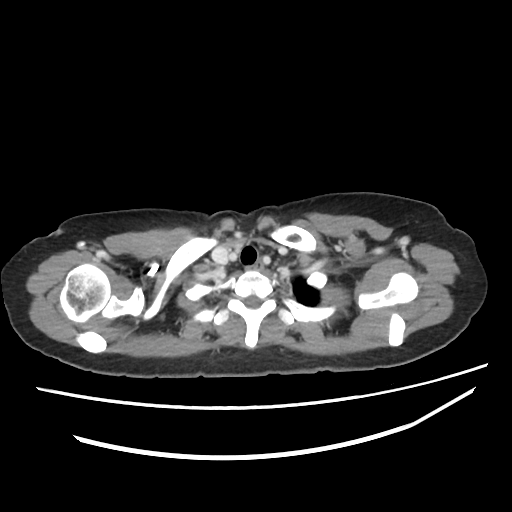
Abdominal CT reaching into the chest; this slice is in the chest. axial view. 54-year-old female patient. acquired on Aquilion ONE. scan has 15 labeled organs (that count is for the whole scan; organs this slice misses have no box)
At this level of the chest no structure but the esophagus and the aorta has a label in this dataset, and those two are boxed only where they are labeled.
Bounding boxes in pixels, one row per box: x1, y1 is the top-left corner and x2, y2 the bottom-right.
| organ | x1 | y1 | x2 | y2 |
|---|---|---|---|---|
| esophagus | 254 | 260 | 261 | 271 |